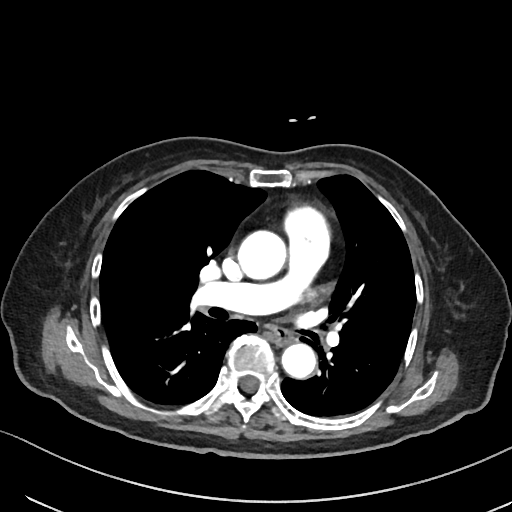

CT of the abdomen extending into the chest, slice through the chest — axial view — soft-tissue window
At this level of the chest this dataset labels only the esophagus and the aorta, and each is boxed only where it is labeled; the heart and lungs are never labeled. Box edges are left/top/right/bottom in pixels. 2 labeled organs on this slice — aorta at left=238, top=230, right=287, bottom=279; aorta at left=281, top=343, right=315, bottom=378; esophagus at left=271, top=326, right=294, bottom=344.